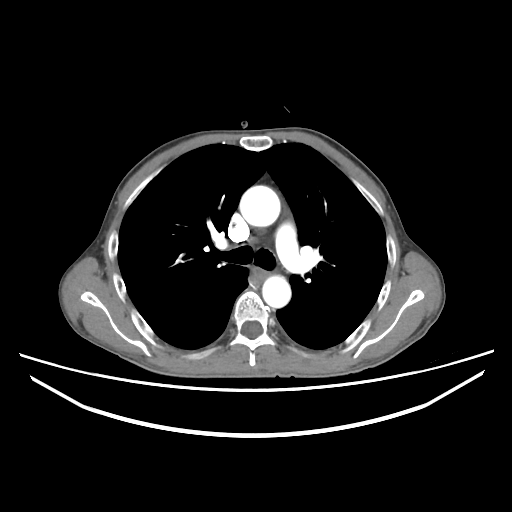

Chest-level slice from an abdominal CT that extends up into the chest. axial plane, index 96. 50-year-old male patient
At this level of the chest no structure but the esophagus and the aorta has a label in this dataset, and those two are boxed only where they are labeled.
Coordinates as <box>x1,y1,x2,y2</box> in pixels.
esophagus: <box>253,268,269,283</box>
aorta: <box>239,185,280,226</box>
aorta: <box>262,276,291,308</box>